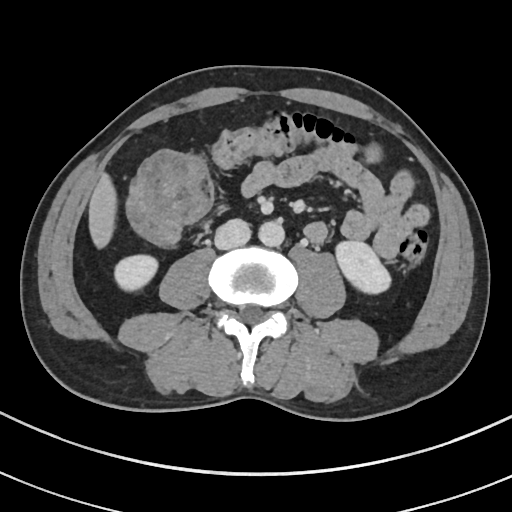

CT, abdomen/pelvis. axial view. 512x512 px
Bounding boxes in pixels, one row per box: x1, y1 is the top-left corner and x2, y2 the bottom-right.
| organ | x1 | y1 | x2 | y2 |
|---|---|---|---|---|
| aorta | 257 | 220 | 283 | 246 |
| inferior vena cava | 214 | 218 | 250 | 249 |
| right kidney | 114 | 256 | 157 | 290 |
| liver | 89 | 174 | 117 | 244 |
| left kidney | 334 | 241 | 390 | 294 |